Abdominal CT — axial plane, index 169 — abdomen soft-tissue window
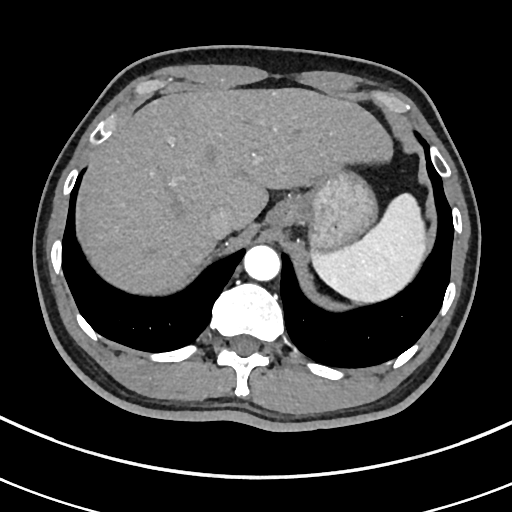 Boxes are (x1, y1, x2, y2) in pixels.
Organ bounding boxes:
- spleen: (312, 193, 426, 303)
- stomach: (271, 168, 376, 256)
- inferior vena cava: (206, 206, 235, 240)
- liver: (81, 87, 393, 292)
- aorta: (243, 245, 280, 281)